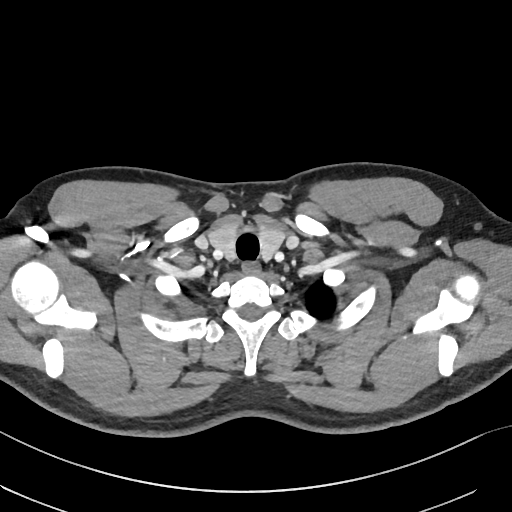

Abdominal CT reaching into the chest; this slice is in the chest — Axial slice 301/307 — soft-tissue window
On a slice this high in the chest, this dataset labels only the esophagus and the aorta, and each is boxed only where it is labeled; the heart, lungs and other chest structures are not labeled.
{"organs":{"esophagus":[243,262,259,272]}}